Abdominal CT; this slice is in the lower chest, just above the liver — axial plane, index 94 — soft-tissue window, W/L 400/40 — 512x512 px
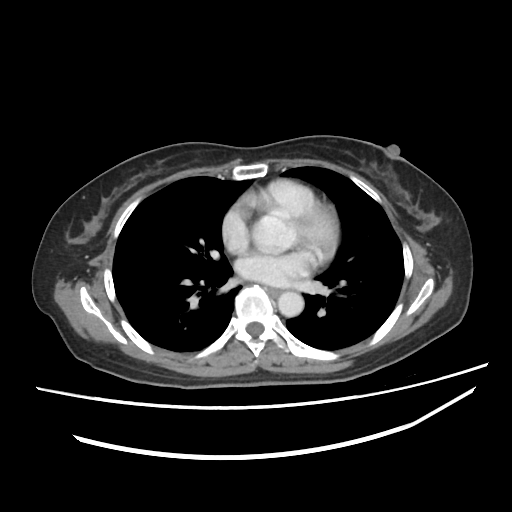

Of the structures in the chest, this dataset labels only the esophagus, the aorta and the inferior vena cava; the heart and lungs have no label.
Boxes: x1:y1:x2:y2 in pixels.
Organ bounding boxes:
- aorta: 277:291:304:317
- esophagus: 269:289:279:295